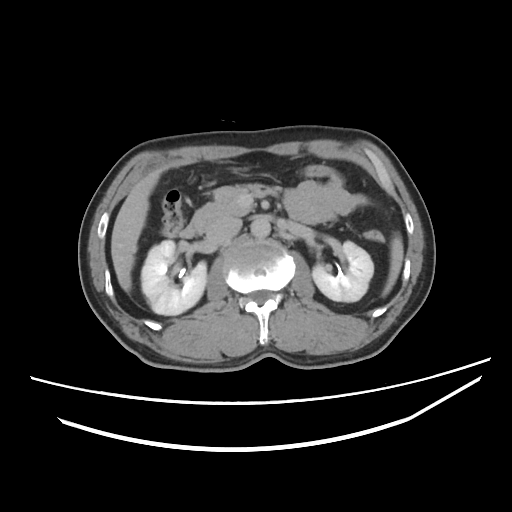

CT, abdomen/pelvis. Axial slice 74/104. W/L 400/40 HU. 58-year-old male patient
<organs><organ name="aorta" x1="251" y1="217" x2="270" y2="238"/><organ name="right kidney" x1="140" y1="241" x2="206" y2="315"/><organ name="duodenum" x1="179" y1="211" x2="219" y2="240"/><organ name="left kidney" x1="312" y1="241" x2="373" y2="300"/><organ name="pancreas" x1="196" y1="183" x2="286" y2="217"/><organ name="inferior vena cava" x1="205" y1="216" x2="242" y2="244"/><organ name="liver" x1="111" y1="167" x2="169" y2="292"/><organ name="spleen" x1="383" y1="234" x2="403" y2="295"/></organs>